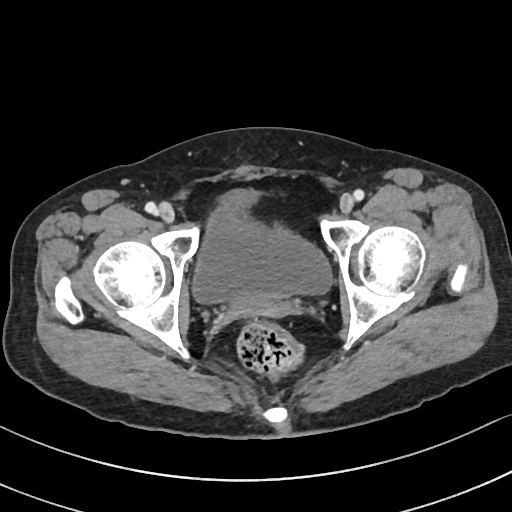

Abdominal CT. axial view. scan has 14 labeled organs (counted over the whole 3D scan, not this slice; an organ is boxed only where this slice passes through it)
Boxes are (x1, y1, x2, y2) in pixels. The annotated organs in this slice are: bladder at (193, 189, 331, 302).